Computed tomography, abdomen · axial view · acquired on SOMATOM Force
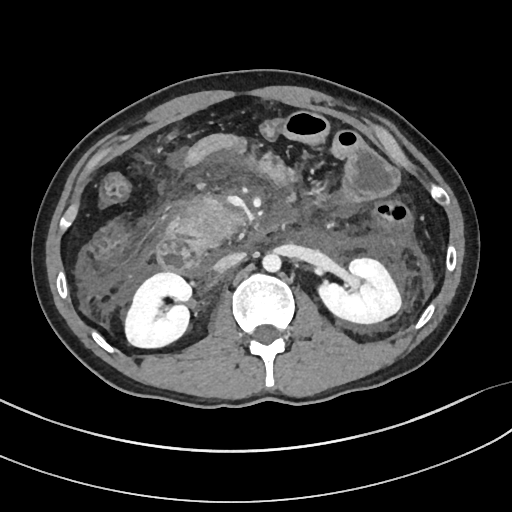

Box edges are left/top/right/bottom in pixels.
Organ bounding boxes:
- right kidney: left=124, top=271, right=191, bottom=347
- inferior vena cava: left=214, top=252, right=244, bottom=271
- pancreas: left=167, top=203, right=243, bottom=250
- left kidney: left=317, top=257, right=401, bottom=323
- aorta: left=262, top=253, right=281, bottom=271
- duodenum: left=158, top=235, right=210, bottom=277